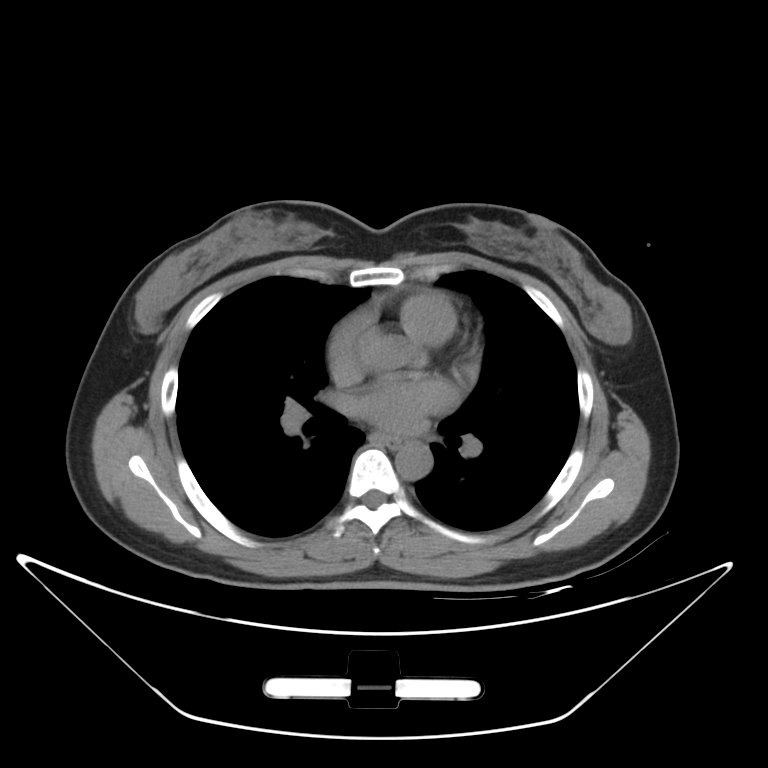 Abdominal CT; this slice is in the lower chest, just above the liver — Axial slice 103/105 — W/L 400/40 HU — 768x768 px — Brilliance16 scanner — 15 organs annotated in this scan (counted over the whole 3D scan, not this slice; an organ is boxed only where this slice passes through it)
The heart and lungs are never labeled in this dataset, so they have no box on this slice.
Boxes: x1 y1 x2 y2 (pixel coords, space-separated).
esophagus: 372 432 401 446
aorta: 395 442 431 480